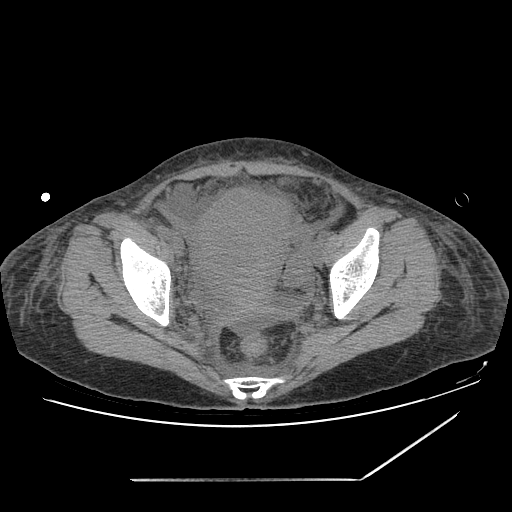
Computed tomography, abdomen · axial view · W/L 400/40 HU · 512x512 px
Boxes: x1 y1 x2 y2 (pixel coords, space-separated).
prostate/uterus: 199 188 291 320